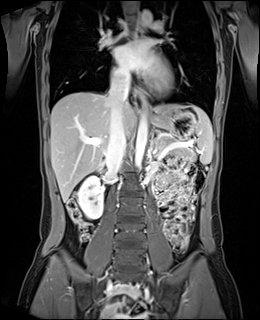

Abdominal MRI; coronal view; percentile-normalized; acquired on Prisma; scan has 13 labeled organs (a whole-scan count: organs this slice does not pass through have no box)
{"organs":{"spleen":[191,105,213,165],"right kidney":[78,176,103,218],"esophagus":[[135,16,141,35],[140,94,147,109]],"liver":[50,92,191,201],"stomach":[148,110,195,138],"aorta":[[135,114,147,169],[141,11,152,25]],"inferior vena cava":[106,76,129,174],"pancreas":[171,147,190,152],"left adrenal gland":[151,134,153,146]}}